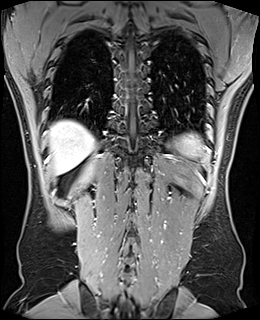

MRI, abdomen · Coronal slice 29/144 · 13 organs annotated in this scan (that count is for the whole scan; organs this slice misses have no box)
{"organs":{"spleen":[176,132,205,157],"liver":[49,120,94,174]}}